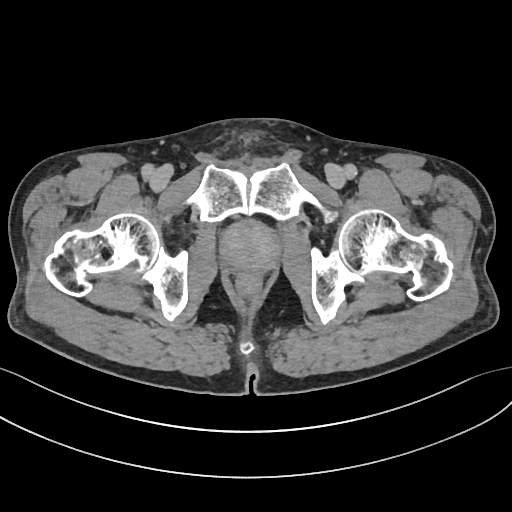
Computed tomography, abdomen · axial view · scan has 15 labeled organs (that count is for the whole scan; organs this slice misses have no box)
Boxes: x1:y1:x2:y2 in pixels. Labeled organs on this slice: prostate/uterus at 220:221:282:276.